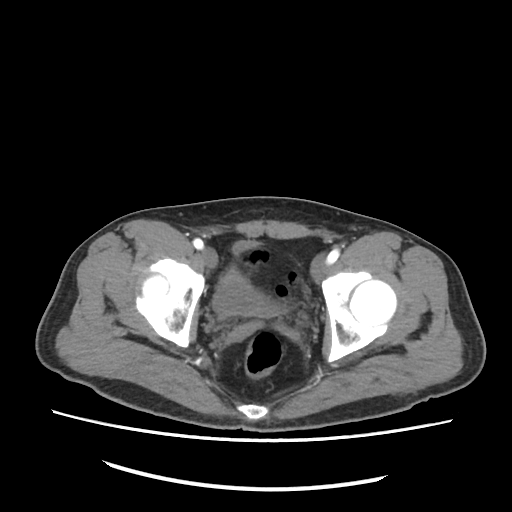 CT abdomen; axial plane, index 20; 54-year-old male patient
<organs><organ name="bladder" x1="213" y1="242" x2="281" y2="317"/></organs>